Computed tomography, abdomen · Axial slice 218/353 · 512x512 px · scan has 15 labeled organs (a whole-scan count: organs this slice does not pass through have no box)
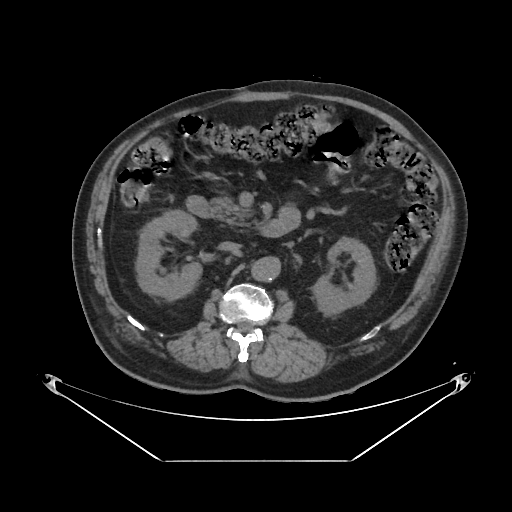 Boxes: x1 y1 x2 y2 (pixel coords, space-separated).
right kidney: 136 210 202 300
left kidney: 311 238 375 316
aorta: 251 257 279 280
inferior vena cava: 218 241 240 251
pancreas: 210 196 248 226
duodenum: 186 196 290 237